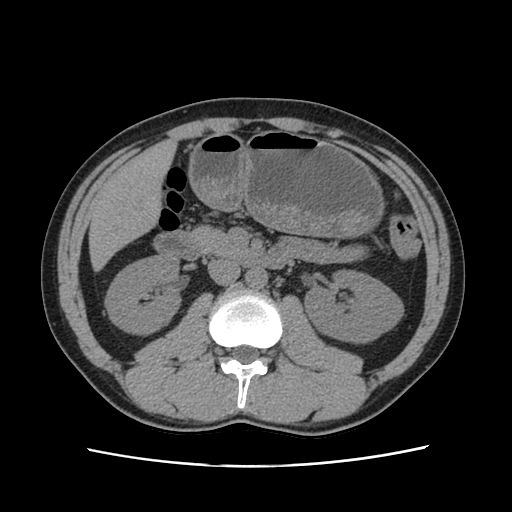 Abdominal CT; Axial slice 113/167
{"organs":{"right kidney":[105,254,180,334],"left kidney":[304,270,403,342],"liver":[88,139,177,271],"stomach":[188,130,383,237],"aorta":[245,268,267,289],"inferior vena cava":[207,259,240,285],"pancreas":[190,226,246,256],"duodenum":[154,231,291,268]}}